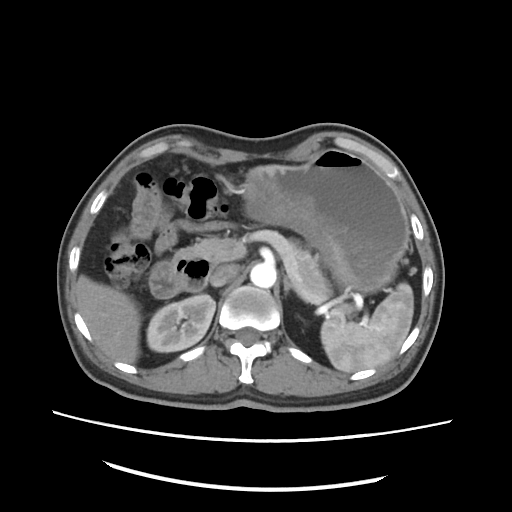
Abdominal CT — Axial slice 73/98 — soft-tissue window — 54-year-old male patient
Box edges are left/top/right/bottom in pixels. 9 labeled organs on this slice — spleen at left=320, top=282, right=412, bottom=373; inferior vena cava at left=209, top=262, right=240, bottom=287; aorta at left=251, top=261, right=276, bottom=289; duodenum at left=150, top=255, right=211, bottom=298; left adrenal gland at left=282, top=275, right=298, bottom=294; right kidney at left=146, top=295, right=214, bottom=352; stomach at left=243, top=147, right=409, bottom=292; pancreas at left=176, top=235, right=331, bottom=298; liver at left=76, top=275, right=139, bottom=362.